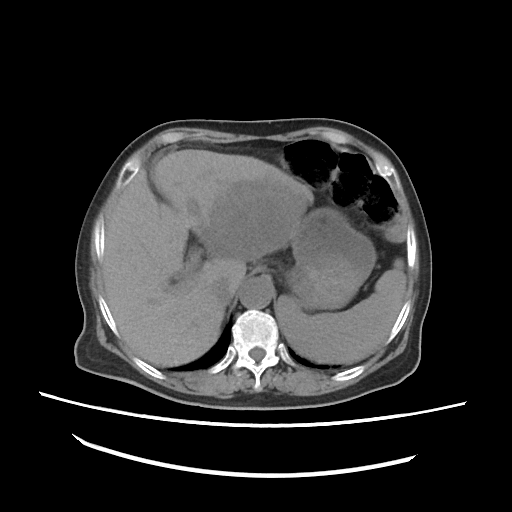

CT, abdomen/pelvis · axial view
{"organs":{"inferior vena cava":[213,279,231,303],"spleen":[278,258,407,364],"aorta":[240,278,273,309],"stomach":[285,211,376,310],"liver":[102,150,313,366]}}